Computed tomography, abdomen · axial view · abdomen soft-tissue window · 512x512 px · acquired on SOMATOM Force
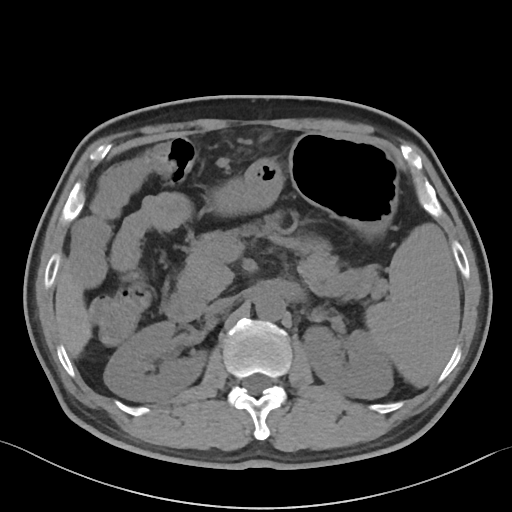 {"organs":{"aorta":[255,294,285,320],"inferior vena cava":[205,297,234,314],"left kidney":[303,326,392,398],"right kidney":[104,321,206,401],"liver":[55,269,91,357],"pancreas":[177,215,377,300],"stomach":[210,132,398,237],"duodenum":[164,292,205,322],"spleen":[365,223,458,386]}}